CT abdomen — axial view — soft-tissue window (W 400 / L 40) — acquired on SOMATOM Force — 15 organs annotated in this scan (counted over the whole 3D scan, not this slice; an organ is boxed only where this slice passes through it)
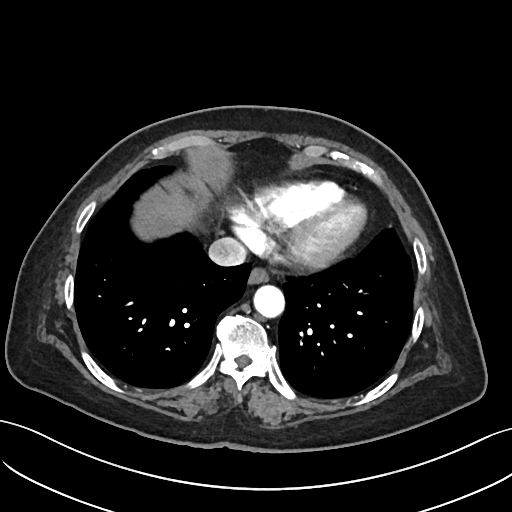 <organs><organ name="esophagus" x1="249" y1="267" x2="267" y2="282"/><organ name="liver" x1="142" y1="192" x2="194" y2="235"/><organ name="aorta" x1="253" y1="284" x2="284" y2="315"/><organ name="inferior vena cava" x1="208" y1="237" x2="247" y2="265"/></organs>